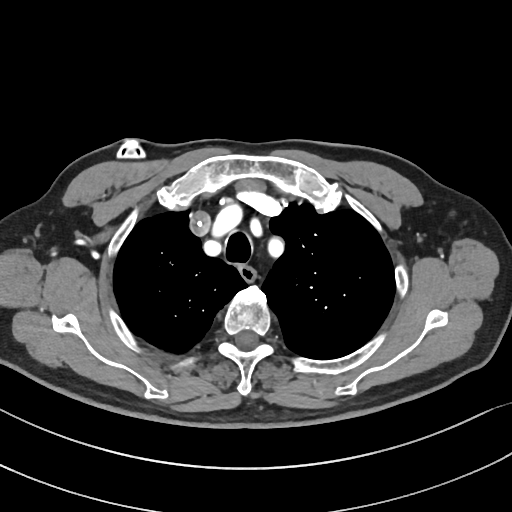 Chest-level slice from an abdominal CT that extends up into the chest; axial view
On a slice this high in the chest, this dataset labels only the esophagus and the aorta, and each is boxed only where it is labeled; the heart, lungs and other chest structures are not labeled.
Box edges are left/top/right/bottom in pixels.
esophagus: left=240, top=266, right=255, bottom=280